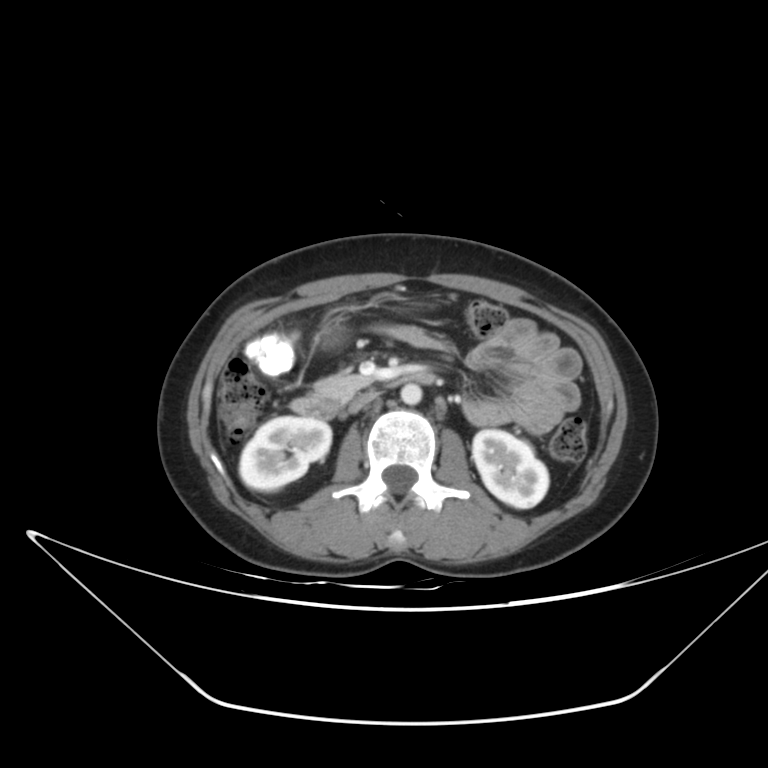 Computed tomography, abdomen · axial view · 34-year-old female patient · scan has 13 labeled organs (a whole-scan count: organs this slice does not pass through have no box)
Boxes: x1:y1:x2:y2 in pixels.
right kidney: 239:416:331:491
left kidney: 472:429:548:508
liver: 244:332:294:375
aorta: 400:383:421:404
inferior vena cava: 349:391:378:412
pancreas: 314:374:371:403
duodenum: 290:370:434:419